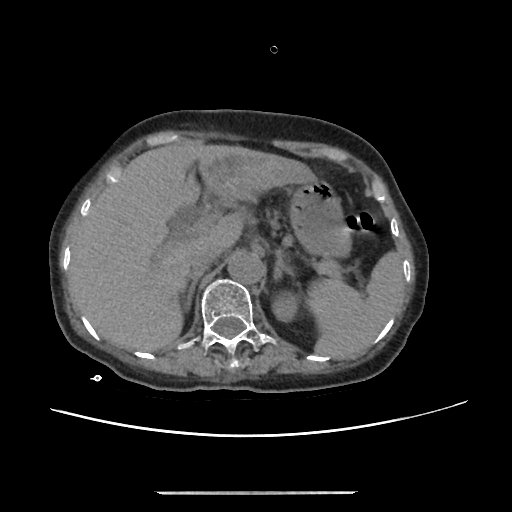

Abdominal CT. axial view. 14 organs annotated in this scan (counted over the whole 3D scan, not this slice; an organ is boxed only where this slice passes through it)
Organ boxes in pixel coordinates; each row gives the top-left (x1, y1) and bottom-right (x2, y2) corners.
| organ | x1 | y1 | x2 | y2 |
|---|---|---|---|---|
| right adrenal gland | 180 | 272 | 202 | 311 |
| stomach | 289 | 179 | 350 | 256 |
| spleen | 307 | 251 | 403 | 359 |
| left adrenal gland | 273 | 251 | 294 | 280 |
| inferior vena cava | 188 | 246 | 221 | 273 |
| left kidney | 272 | 296 | 298 | 321 |
| liver | 70 | 141 | 315 | 351 |
| aorta | 227 | 251 | 263 | 283 |